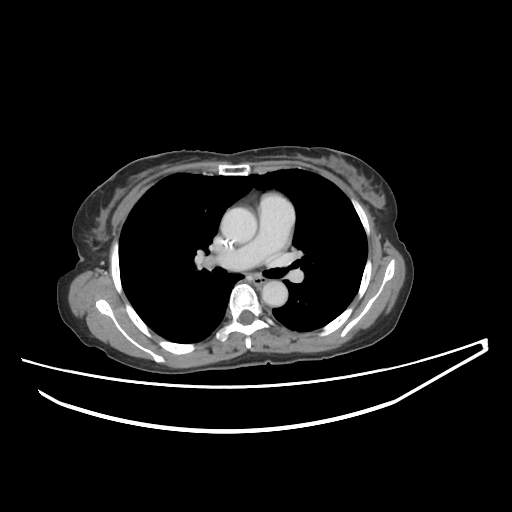

Abdominal CT reaching into the chest; this slice is in the chest — Axial slice 97/116 — acquired on Aquilion ONE
At this level of the chest this dataset labels only the esophagus and the aorta, and each is boxed only where it is labeled; the heart and lungs are never labeled.
{"organs":{"esophagus":[252,274,266,285],"aorta":[[220,207,257,243],[261,280,287,306]]}}